Computed tomography, abdomen · axial plane, index 70 · 61-year-old female patient · Aquilion ONE scanner
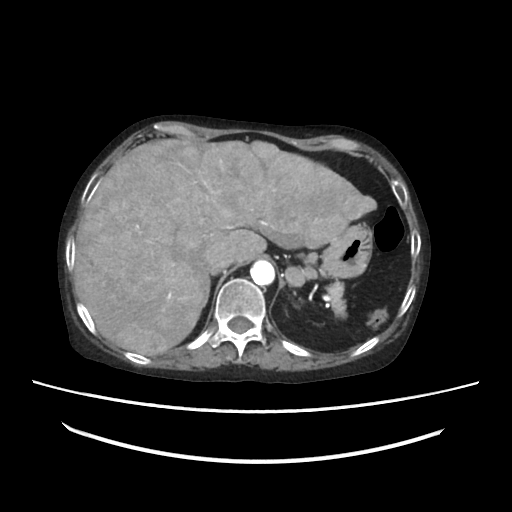 Coordinates as <box>x1,y1,x2,y2</box> in pixels.
pancreas: <box>326,283,347,318</box>
aorta: <box>251,259,275,285</box>
liver: <box>74,138,377,354</box>
inferior vena cava: <box>207,263,227,274</box>
stomach: <box>310,222,371,277</box>